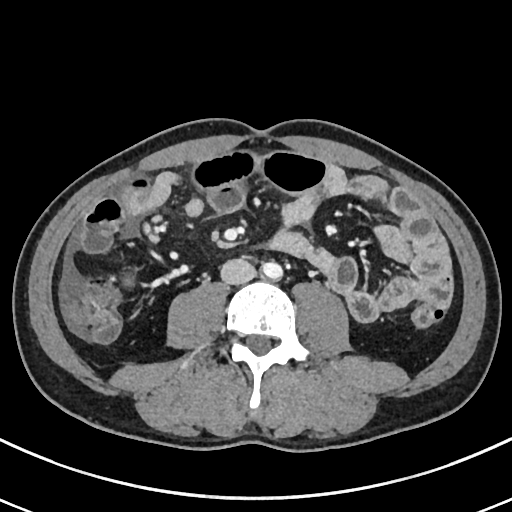
CT abdomen — axial view — acquired on SOMATOM Force
Each box given as x1,y1,x2,y2. The annotated organs in this slice are: aorta at x1=261, y1=262, x2=282, y2=279, inferior vena cava at x1=221, y1=258, x2=256, y2=284.